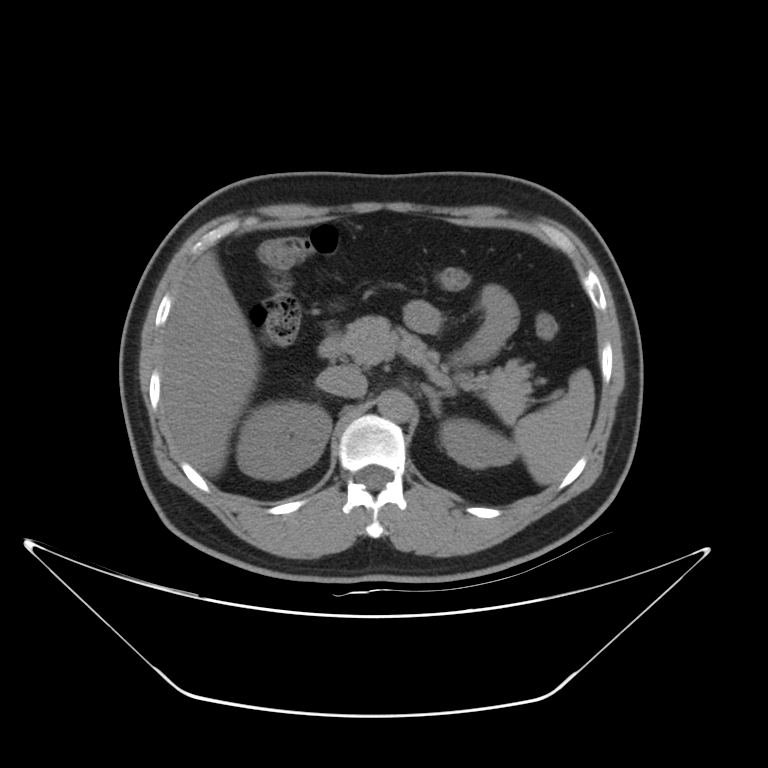
Computed tomography, abdomen; axial view; abdomen soft-tissue window; acquired on Brilliance16
Boxes: x1 y1 x2 y2 (pixel coords, space-separated).
Organ bounding boxes:
- spleen: 513 369 594 485
- right kidney: 237 402 331 480
- left kidney: 439 419 516 468
- liver: 161 251 259 476
- aorta: 378 389 414 422
- inferior vena cava: 317 366 366 397
- pancreas: 339 316 532 423
- left adrenal gland: 421 384 459 417
- duodenum: 317 334 339 359